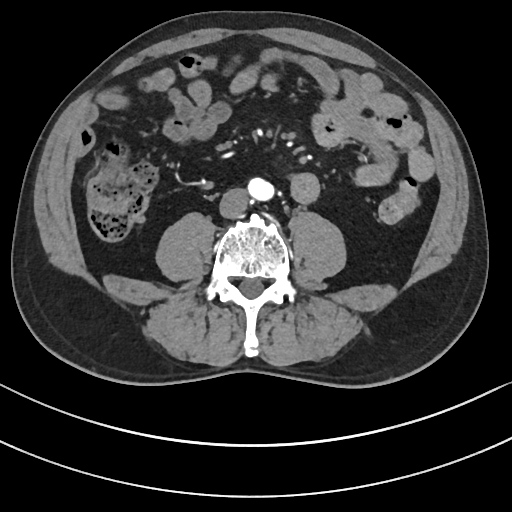

CT abdomen · axial view · 512x512 px · 15 organs annotated in this scan (counted over the whole 3D scan, not this slice; an organ is boxed only where this slice passes through it)
Organ boxes in pixel coordinates; each row gives the top-left (x1, y1) and bottom-right (x2, y2) corners.
| organ | x1 | y1 | x2 | y2 |
|---|---|---|---|---|
| aorta | 247 | 177 | 273 | 200 |
| inferior vena cava | 219 | 188 | 248 | 217 |